CT of the abdomen extending into the chest, slice through the chest — Axial slice 94/120 — 62-year-old male patient — 15 organs annotated in this scan (a whole-scan count: organs this slice does not pass through have no box)
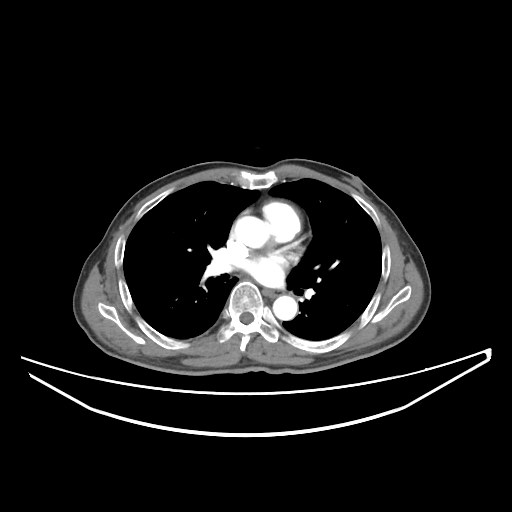 On a slice this high in the chest, this dataset labels only the esophagus and the aorta, and each is boxed only where it is labeled; the heart, lungs and other chest structures are not labeled. Coordinates as <box>x1,y1,x2,y2</box> in pixels. 2 labeled organs on this slice — esophagus at <box>263,288,284,297</box>; aorta at <box>235,216,269,247</box>; aorta at <box>273,295,297,320</box>.